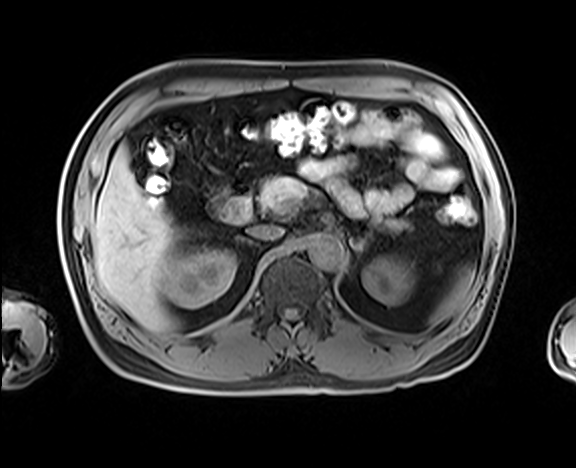 MRI, abdomen — axial view — 576x468 px
Boxes: x1:y1:x2:y2 in pixels.
spleen: 430:267:474:324
right kidney: 162:249:235:308
left kidney: 362:256:413:305
liver: 91:144:181:331
aorta: 307:235:343:267
inferior vena cava: 248:225:284:240
pancreas: 259:177:406:230
right adrenal gland: 236:236:254:243
left adrenal gland: 351:237:366:255
duodenum: 209:182:251:224